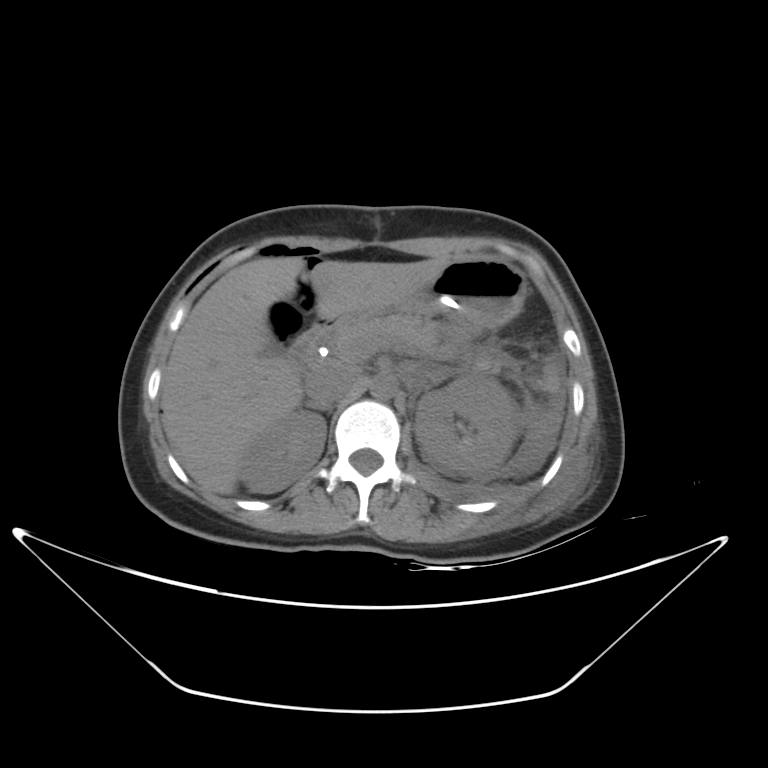
CT abdomen · axial view · abdomen soft-tissue window
{"organs":{"left kidney":[414,375,522,476],"liver":[161,256,449,494],"inferior vena cava":[306,367,356,405],"spleen":[536,370,561,432],"aorta":[370,375,396,398],"right kidney":[239,410,326,492],"right adrenal gland":[306,399,330,411],"stomach":[358,257,524,327],"left adrenal gland":[426,371,448,381],"pancreas":[330,318,503,373],"duodenum":[288,311,369,366]}}